CT abdomen. axial view. soft-tissue window. 45-year-old male patient. 15 organs annotated in this scan (that count is for the whole scan; organs this slice misses have no box)
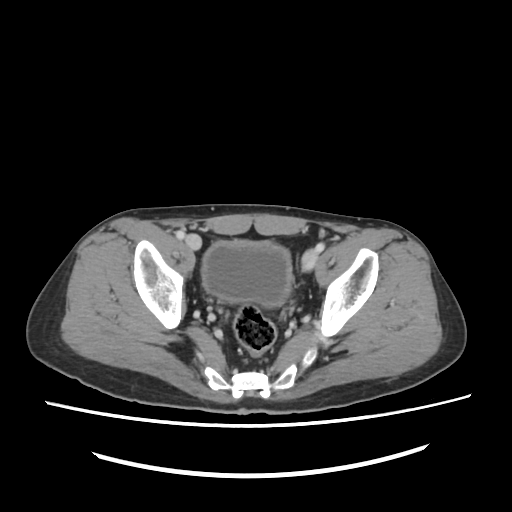
Boxes: x1 y1 x2 y2 (pixel coords, space-separated). Labeled organs on this slice: bladder at 202 242 291 306.